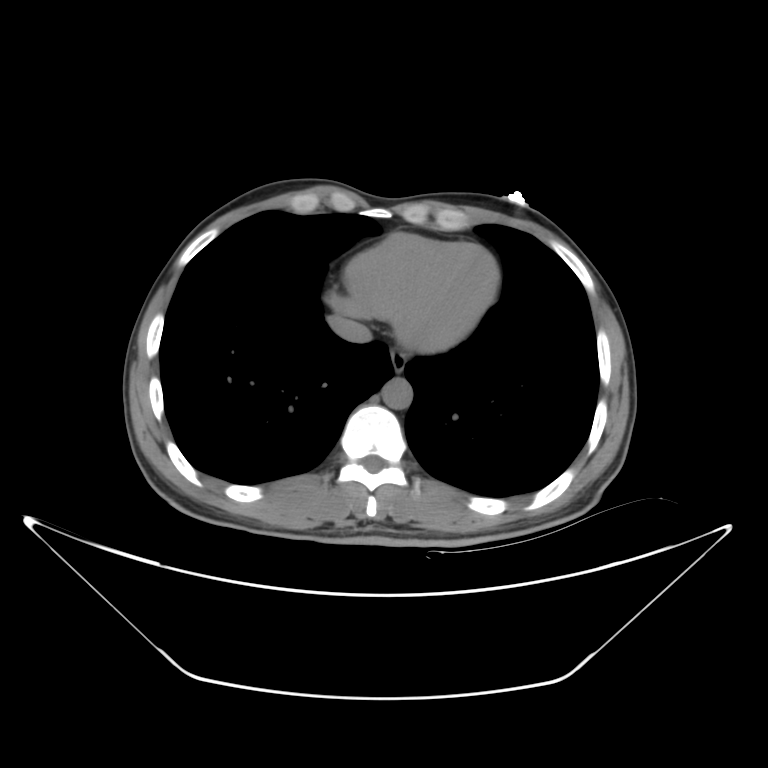

Abdominal CT; this slice is in the lower chest, just above the liver · axial plane, index 86 · 15 organs annotated in this scan (counted over the whole 3D scan, not this slice; an organ is boxed only where this slice passes through it)
Of the structures in the chest, this dataset labels only the esophagus, the aorta and the inferior vena cava; the heart and lungs have no label.
Boxes are (x1, y1, x2, y2) in pixels.
inferior vena cava: (328, 312, 367, 343)
esophagus: (389, 351, 406, 373)
aorta: (382, 376, 411, 408)